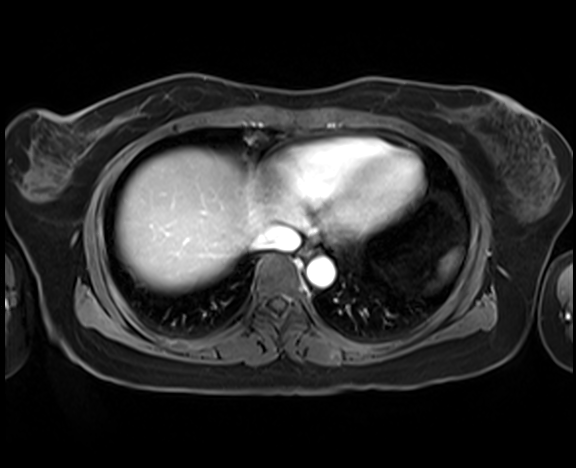 Abdominal MRI. axial view. 1st–99th percentile window. Prisma scanner. scan has 13 labeled organs (that count is for the whole scan; organs this slice misses have no box)
Boxes: x1 y1 x2 y2 (pixel coords, space-separated).
spleen: 442 253 456 272
esophagus: 301 244 315 256
liver: 117 149 270 290
aorta: 307 256 335 287
inferior vena cava: 253 225 300 250